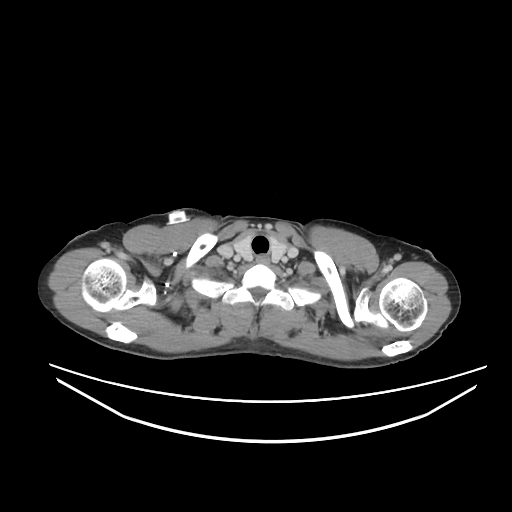

Chest-level slice from an abdominal CT that extends up into the chest; axial view; 512x512 px; Aquilion ONE scanner
At this level of the chest this dataset labels only the esophagus and the aorta, and each is boxed only where it is labeled; the heart and lungs are never labeled.
<organs><organ name="esophagus" x1="256" y1="255" x2="270" y2="264"/></organs>